CT abdomen; axial view
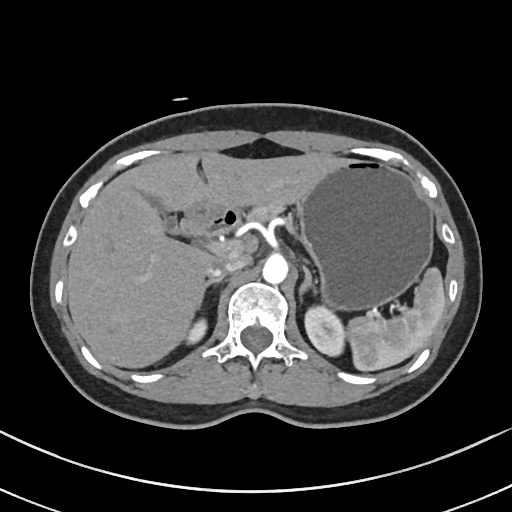

Bounding boxes in pixels, one row per box: x1, y1 is the top-left corner and x2, y2 the bottom-right.
| organ | x1 | y1 | x2 | y2 |
|---|---|---|---|---|
| duodenum | 180 | 208 | 242 | 236 |
| spleen | 345 | 267 | 445 | 371 |
| right kidney | 187 | 321 | 207 | 343 |
| stomach | 187 | 160 | 434 | 312 |
| left adrenal gland | 297 | 268 | 315 | 303 |
| pancreas | 246 | 206 | 284 | 221 |
| right adrenal gland | 203 | 276 | 226 | 291 |
| aorta | 263 | 257 | 288 | 284 |
| left kidney | 304 | 304 | 344 | 358 |
| gall bladder | 164 | 216 | 180 | 235 |
| liver | 65 | 151 | 348 | 369 |
| inferior vena cava | 208 | 256 | 250 | 277 |